Abdominal CT; axial view; SOMATOM Force scanner
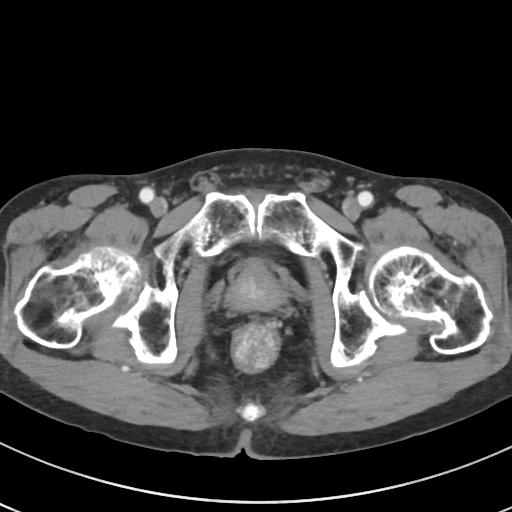 {"organs":{"prostate/uterus":[226,263,286,311]}}